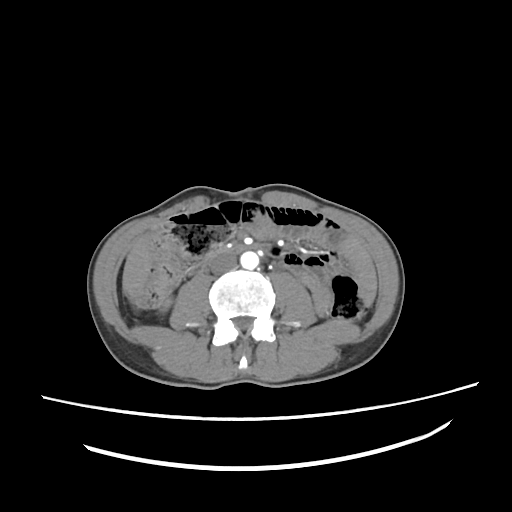

Computed tomography, abdomen · Axial slice 53/133 · 512x512 px · 14 organs annotated in this scan (a whole-scan count: organs this slice does not pass through have no box)
{"organs":{"liver":[123,238,151,294],"aorta":[240,251,259,269],"inferior vena cava":[210,253,237,274],"duodenum":[202,242,269,267]}}